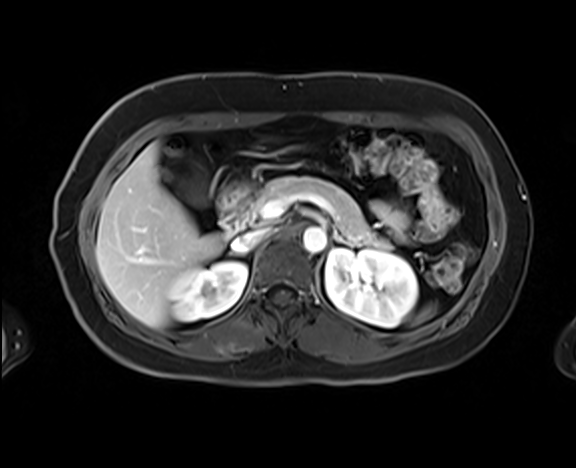 Magnetic resonance imaging, abdomen. axial view. percentile-normalized. scan has 13 labeled organs (that count is for the whole scan; organs this slice misses have no box)
Boxes: x1 y1 x2 y2 (pixel coords, space-separated).
right kidney: 169 261 246 321
spleen: 417 306 434 321
liver: 96 143 225 327
left kidney: 325 248 418 327
aorta: 302 227 326 252
duodenum: 218 181 252 234
left adrenal gland: 333 230 348 244
pancreas: 247 176 390 249
gall bladder: 182 166 205 205
inferior vena cava: 232 227 269 252